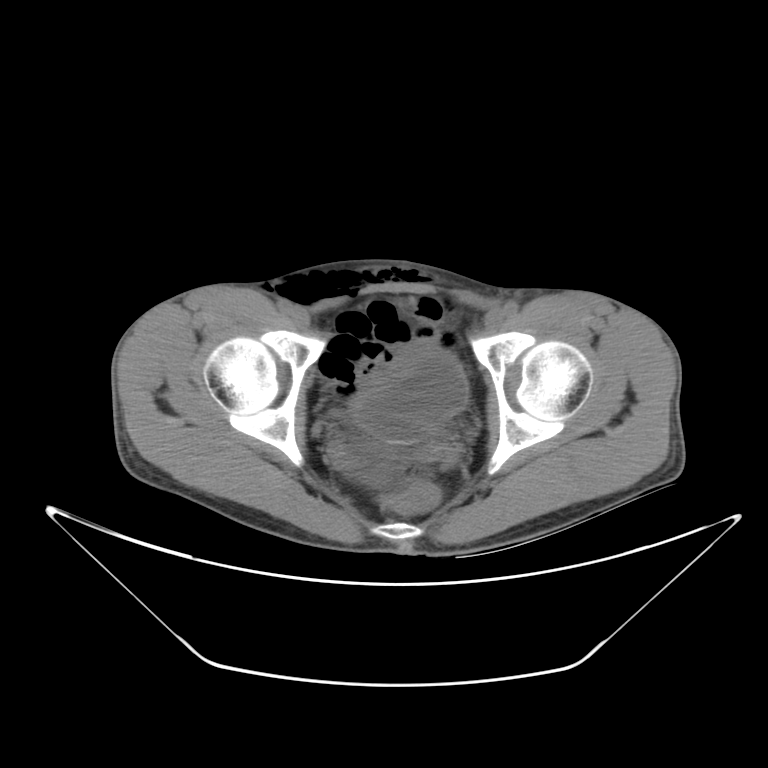
Computed tomography, abdomen; axial view; 768x768 px; scan has 15 labeled organs (counted over the whole 3D scan, not this slice; an organ is boxed only where this slice passes through it)
Box edges are left/top/right/bottom in pixels. The annotated organs in this slice are: bladder at left=353, top=347, right=464, bottom=439.